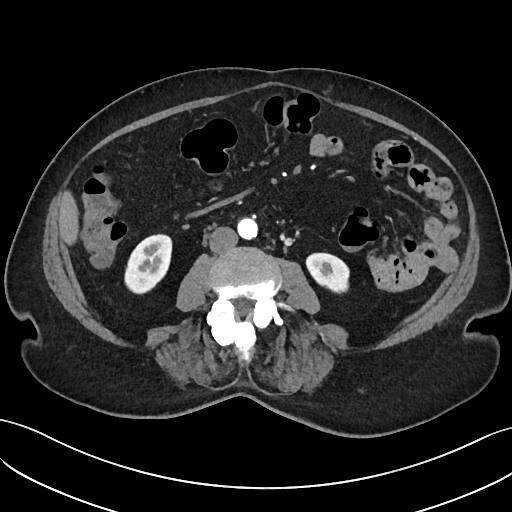
CT abdomen; axial view; soft-tissue window (W 400 / L 40); 512x512 px; scan has 15 labeled organs (a whole-scan count: organs this slice does not pass through have no box)
{"organs":{"inferior vena cava":[209,227,237,253],"left kidney":[306,253,349,292],"right kidney":[125,234,171,293],"liver":[58,191,78,244],"aorta":[237,218,257,239]}}